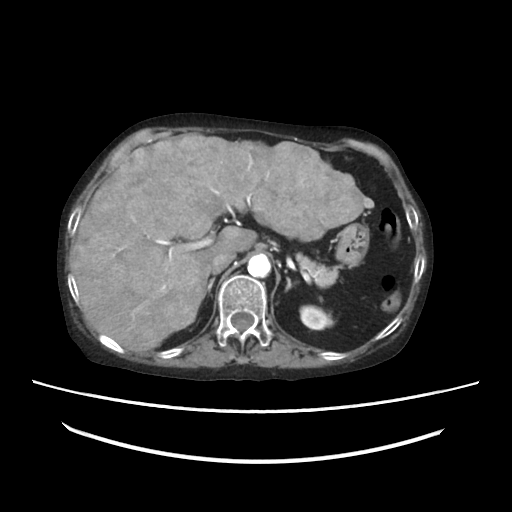

CT abdomen. axial view. acquired on Aquilion ONE
Box edges are left/top/right/bottom in pixels. Labeled organs on this slice: left kidney at left=301, top=305, right=332, bottom=329, pancreas at left=297, top=254, right=335, bottom=285, left adrenal gland at left=285, top=277, right=292, bottom=289, liver at left=71, top=135, right=372, bottom=352, stomach at left=336, top=225, right=368, bottom=264, right adrenal gland at left=207, top=278, right=213, bottom=291, inferior vena cava at left=211, top=252, right=234, bottom=274, aorta at left=247, top=254, right=271, bottom=276.